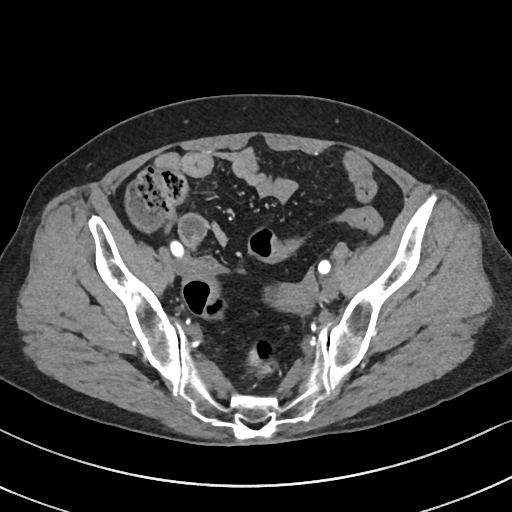 Abdominal CT · axial view
Boxes: x1:y1:x2:y2 in pixels.
prostate/uterus: 274:284:311:311